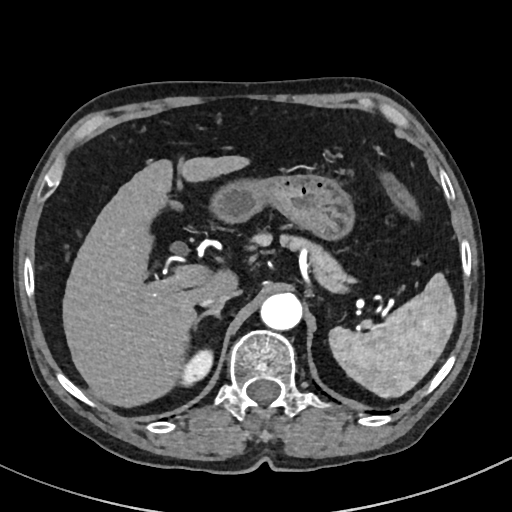

Abdominal CT. axial view. abdomen soft-tissue window. 512x512 px. acquired on SOMATOM Force
Each box given as x1,y1,x2,y2. The annotated organs in this slice are: spleen at x1=327, y1=275, x2=454, y2=397, right kidney at x1=181, y1=350, x2=212, y2=383, liver at x1=62, y1=154, x2=252, y2=408, stomach at x1=214, y1=174, x2=355, y2=241, aorta at x1=259, y1=294, x2=301, y2=330, inferior vena cava at x1=199, y1=286, x2=239, y2=307, pancreas at x1=250, y1=234, x2=350, y2=280, right adrenal gland at x1=196, y1=305, x2=222, y2=328.